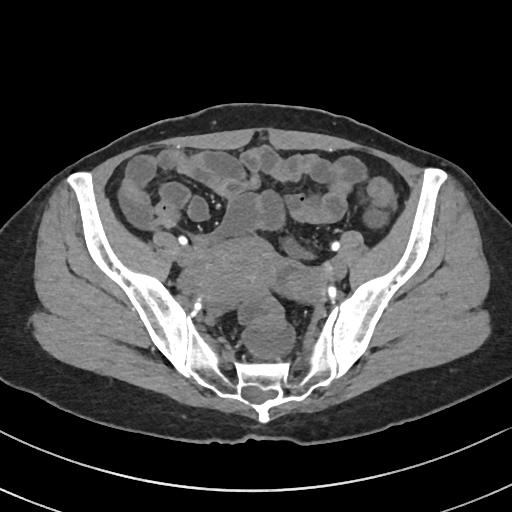 Computed tomography, abdomen — axial view — scan has 15 labeled organs (that count is for the whole scan; organs this slice misses have no box)
Boxes are (x1, y1, x2, y2) in pixels.
prostate/uterus: (186, 239, 275, 301)